CT, abdomen/pelvis · axial plane, index 55 · abdomen soft-tissue window · 40-year-old male patient · 15 organs annotated in this scan (counted over the whole 3D scan, not this slice; an organ is boxed only where this slice passes through it)
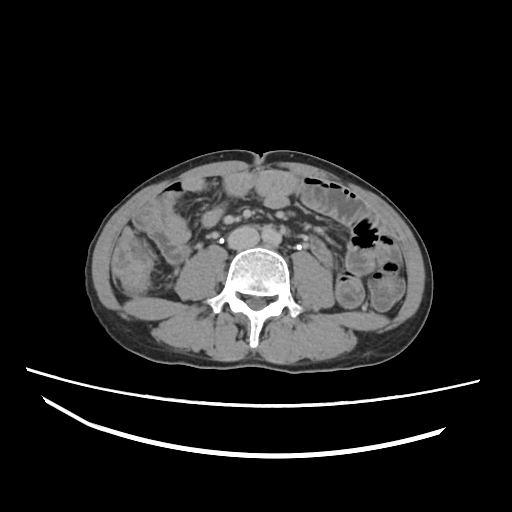 Boxes: x1 y1 x2 y2 (pixel coords, space-separated).
aorta: 262 225 282 244
inferior vena cava: 228 225 259 249